CT abdomen. axial plane, index 14. W/L 400/40 HU. acquired on SOMATOM Force
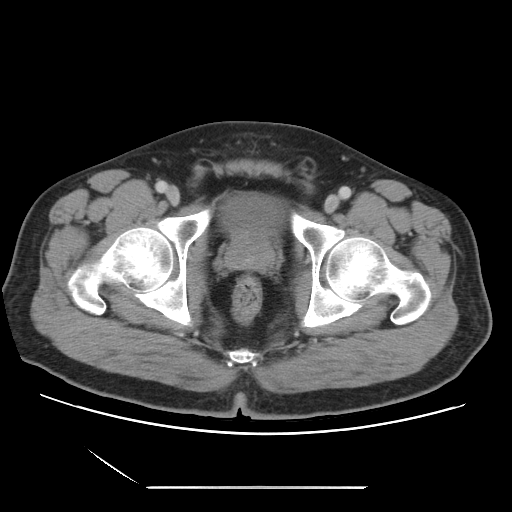 Boxes are (x1, y1, x2, y2) in pixels.
bladder: (220, 193, 285, 235)
prostate/uterus: (225, 230, 274, 271)